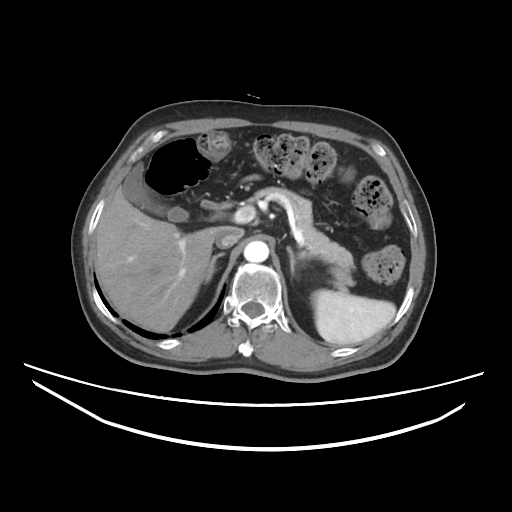
Computed tomography, abdomen · axial plane, index 71 · soft-tissue window (W 400 / L 40)
Boxes: x1 y1 x2 y2 (pixel coords, space-separated). Labeled organs on this slice: spleen at 311 289 395 345, gall bladder at 122 163 187 221, liver at 96 186 221 331, aorta at 243 241 268 262, inferior vena cava at 215 226 243 248, pancreas at 251 187 355 275, right adrenal gland at 205 252 225 282, left adrenal gland at 287 246 296 276, duodenum at 202 201 230 208.